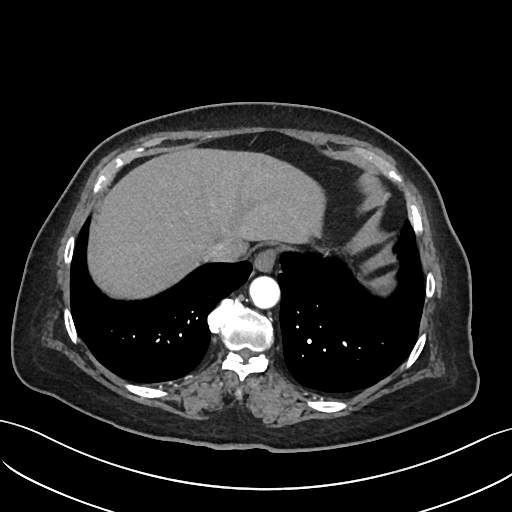 CT, abdomen/pelvis · axial view · scan has 15 labeled organs (a whole-scan count: organs this slice does not pass through have no box)
Coordinates as <box>x1,y1,x2,y2</box> in pixels.
Organ bounding boxes:
- esophagus: <box>254,248,276,271</box>
- liver: <box>87,148,326,299</box>
- aorta: <box>249,275,279,307</box>
- inferior vena cava: <box>205,239,245,262</box>